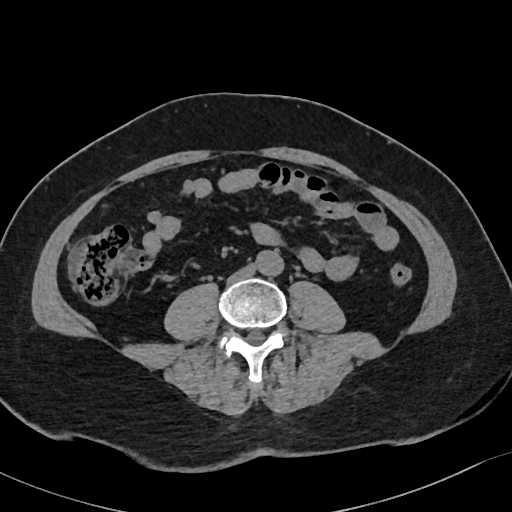

CT, abdomen/pelvis — axial view — 512x512 px
<organs><organ name="aorta" x1="255" y1="250" x2="283" y2="276"/><organ name="inferior vena cava" x1="229" y1="265" x2="254" y2="281"/></organs>